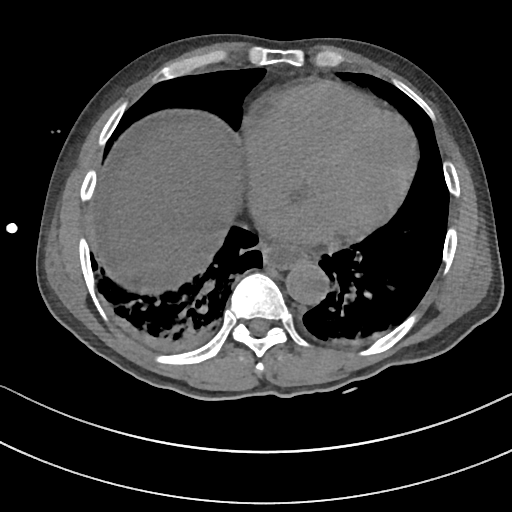

Abdominal CT · axial view · abdomen soft-tissue window · SOMATOM Force scanner
Bounding boxes in pixels, one row per box: x1, y1 is the top-left corner and x2, y2 the bottom-right.
| organ | x1 | y1 | x2 | y2 |
|---|---|---|---|---|
| esophagus | 262 | 243 | 307 | 270 |
| aorta | 285 | 262 | 328 | 304 |
| inferior vena cava | 253 | 198 | 276 | 222 |
| liver | 108 | 119 | 246 | 290 |